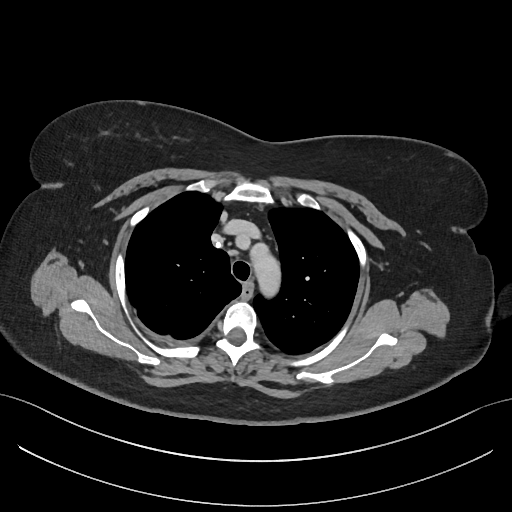

Chest-level CT slice, above the liver and spleen · axial view · soft-tissue window, W/L 400/40 · SOMATOM Force scanner
At this level of the chest this dataset labels only the esophagus and the aorta, and each is boxed only where it is labeled; the heart and lungs are never labeled.
<organs><organ name="esophagus" x1="243" y1="284" x2="252" y2="296"/><organ name="aorta" x1="256" y1="253" x2="278" y2="290"/></organs>